CT abdomen; Axial slice 154/225
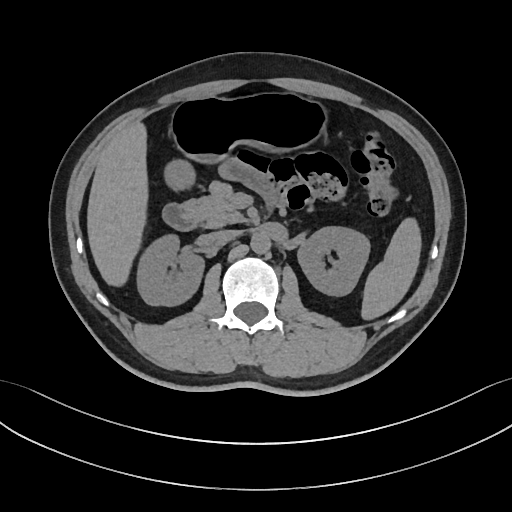

<organs><organ name="spleen" x1="361" y1="218" x2="421" y2="320"/><organ name="right kidney" x1="137" y1="234" x2="204" y2="306"/><organ name="left kidney" x1="297" y1="226" x2="369" y2="296"/><organ name="liver" x1="87" y1="122" x2="147" y2="286"/><organ name="stomach" x1="165" y1="94" x2="327" y2="189"/><organ name="aorta" x1="250" y1="233" x2="270" y2="253"/><organ name="inferior vena cava" x1="210" y1="230" x2="239" y2="242"/><organ name="pancreas" x1="183" y1="181" x2="246" y2="227"/><organ name="duodenum" x1="162" y1="203" x2="196" y2="230"/></organs>